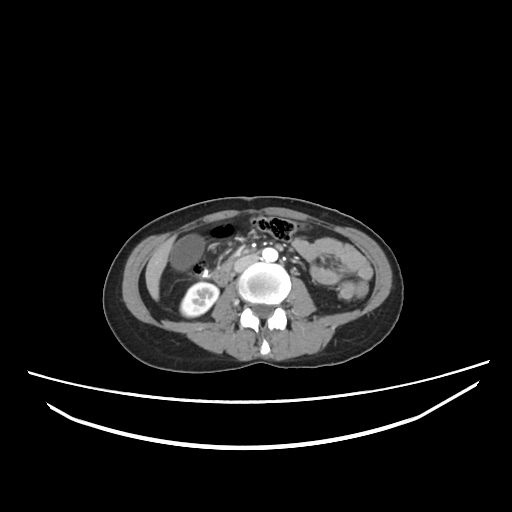

CT, abdomen/pelvis; Axial slice 41/114; soft-tissue window (W 400 / L 40); 43-year-old female patient
{"organs":{"right kidney":[180,282,218,316],"gall bladder":[170,236,202,269],"liver":[145,237,174,300],"aorta":[262,248,278,261],"inferior vena cava":[234,254,259,272],"duodenum":[212,259,233,285]}}